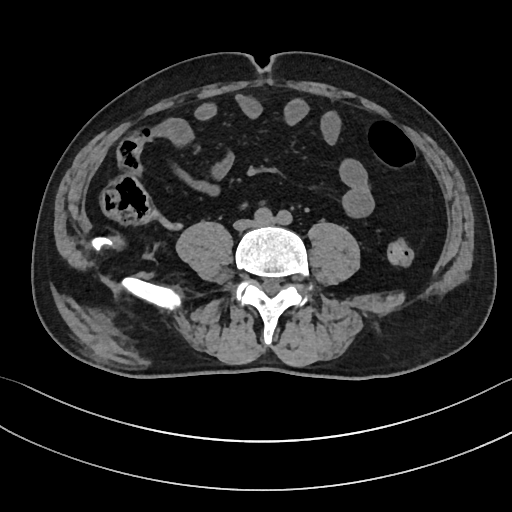 CT, abdomen/pelvis · axial plane, index 96 · W/L 400/40 HU · SOMATOM Force scanner · scan has 15 labeled organs (a whole-scan count: organs this slice does not pass through have no box)
Boxes are (x1, y1, x2, y2) in pixels.
Organ bounding boxes:
- inferior vena cava: (236, 220, 256, 228)